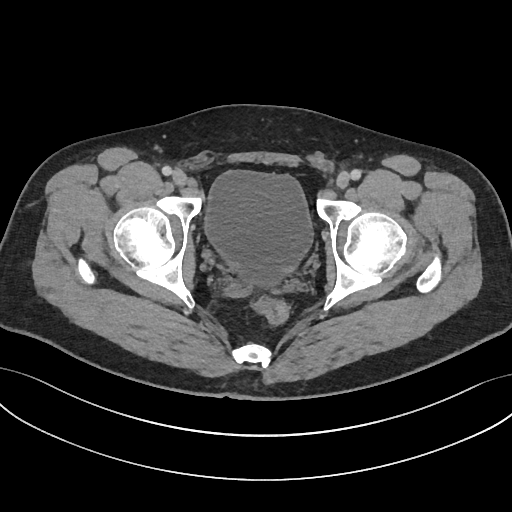
Computed tomography, abdomen. axial view. soft-tissue window
Bounding boxes as [x1, y1, x2, y2] in pixel coordinates.
bladder: [204, 170, 312, 287]